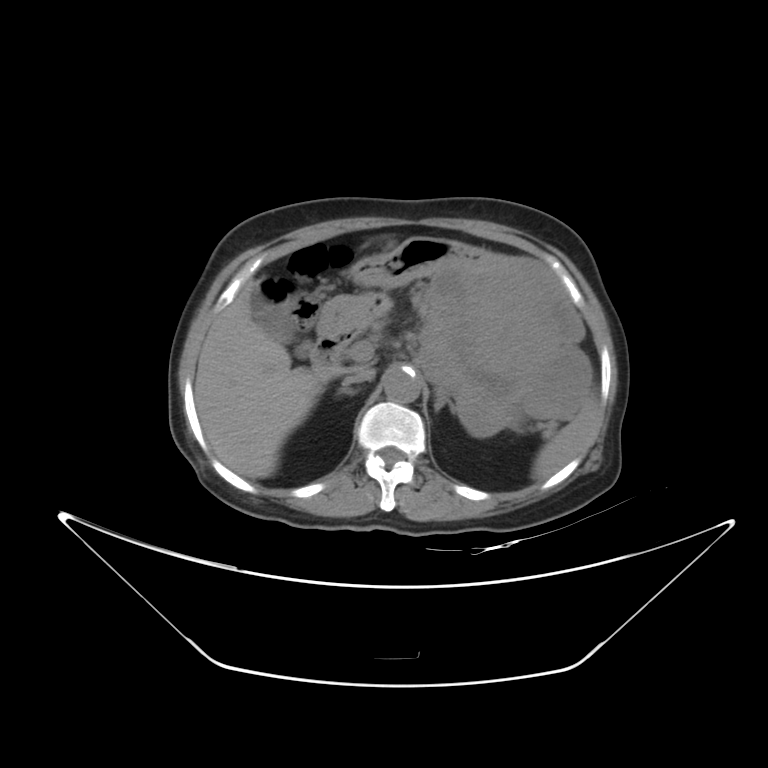
Computed tomography, abdomen · axial view · abdomen soft-tissue window
Box edges are left/top/right/bottom in pixels. Labeled organs on this slice: spleen at left=534, top=397, right=596, bottom=480, aorta at left=383, top=367, right=422, bottom=403, right adrenal gland at left=336, top=387, right=358, bottom=395, gall bladder at left=250, top=286, right=310, bottom=357, inferior vena cava at left=343, top=368, right=375, bottom=385, stomach at left=317, top=236, right=588, bottom=433, liver at left=194, top=281, right=328, bottom=478, left adrenal gland at left=434, top=389, right=455, bottom=412, duodenum at left=308, top=331, right=356, bottom=370.